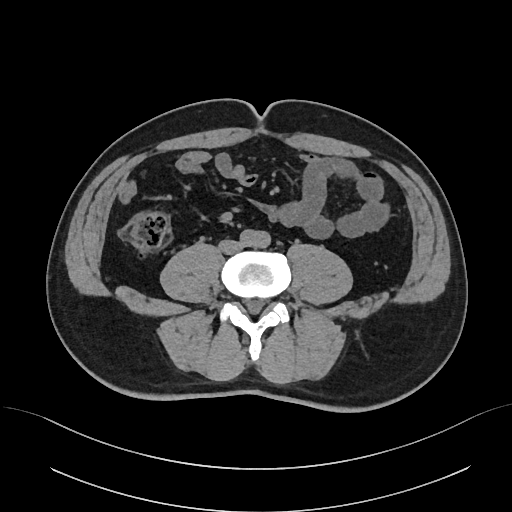 Abdominal CT · Axial slice 114/265 · abdomen soft-tissue window · 512x512 px
Each box given as x1,y1,x2,y2.
aorta: x1=240, y1=229, x2=270, y2=247
inferior vena cava: x1=220, y1=241, x2=241, y2=253